CT abdomen — Axial slice 58/90
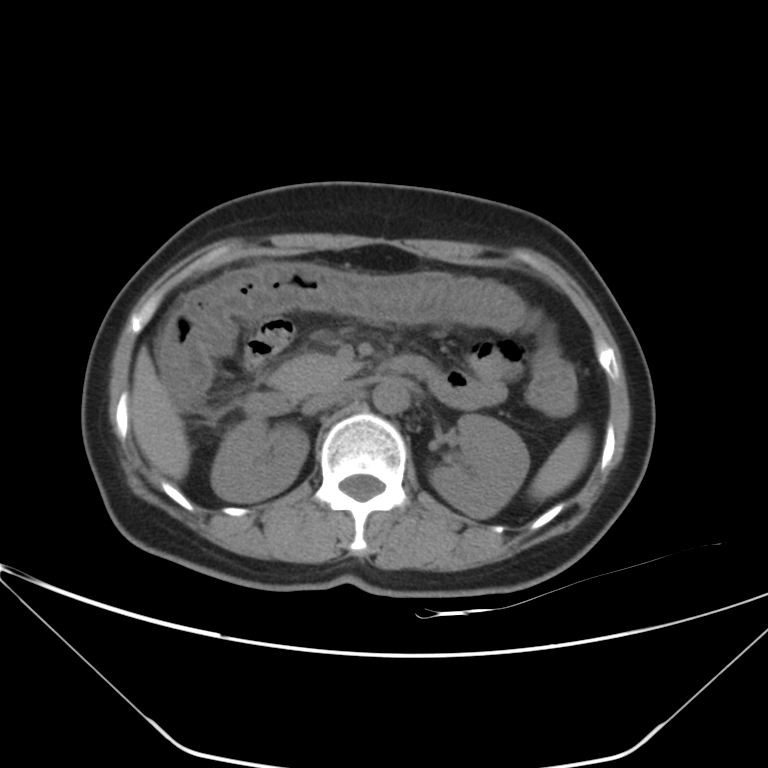

Coordinates as <box>x1,y1,x2,y2</box> in pixels.
spleen: <box>529,432,590,497</box>
liver: <box>131,346,189,479</box>
aorta: <box>373,379,407,413</box>
right kidney: <box>211,417,309,501</box>
duodenum: <box>242,354,435,416</box>
inferior vena cava: <box>302,382,355,413</box>
pancreas: <box>269,354,359,397</box>
left kidney: <box>430,414,529,518</box>